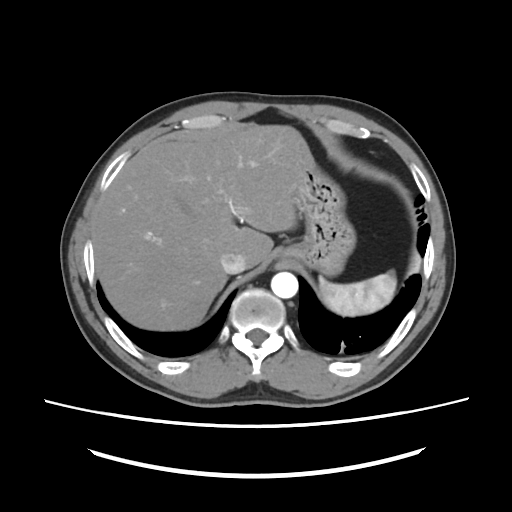
CT abdomen — axial view — 512x512 px
{"organs":{"spleen":[320,272,396,316],"liver":[96,125,297,330],"stomach":[279,133,355,275],"aorta":[271,272,298,298],"inferior vena cava":[220,252,246,273]}}